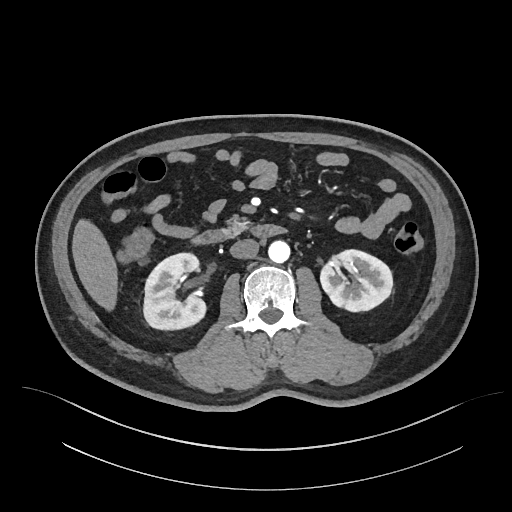
CT abdomen; Axial slice 152/333; 512x512 px; SOMATOM Force scanner; scan has 15 labeled organs (a whole-scan count: organs this slice does not pass through have no box)
Coordinates as <box>x1,y1,x2,y2</box> in pixels.
Organ bounding boxes:
- aorta: <box>268,240,290,262</box>
- left kidney: <box>320,249,392,311</box>
- right kidney: <box>143,253,205,329</box>
- pancreas: <box>227,215,249,229</box>
- inferior vena cava: <box>230,239,259,258</box>
- duodenum: <box>192,224,285,244</box>
- liver: <box>72,219,117,311</box>